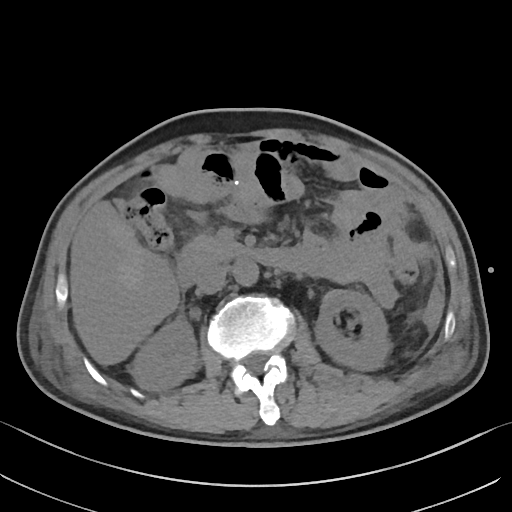 Abdominal CT — axial view
{"organs":{"right kidney":[132,319,198,390],"left kidney":[314,289,391,371],"liver":[121,258,142,289],"aorta":[232,260,258,286],"inferior vena cava":[196,266,226,294],"pancreas":[181,235,240,257],"duodenum":[177,246,287,287]}}